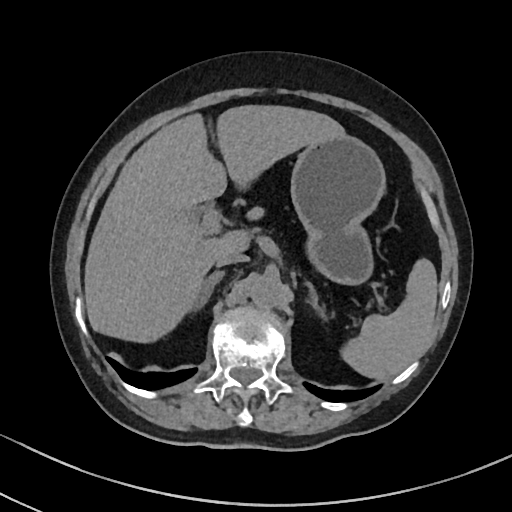
Computed tomography, abdomen · axial view · W/L 400/40 HU · 15 organs annotated in this scan (that count is for the whole scan; organs this slice misses have no box)
Each box given as x1,y1,x2,y2. 7 labeled organs on this slice — spleen at x1=342, y1=260, x2=438, y2=379; left adrenal gland at x1=303, y1=279, x2=325, y2=320; inferior vena cava at x1=215, y1=253, x2=244, y2=267; aorta at x1=251, y1=274, x2=284, y2=308; right adrenal gland at x1=187, y1=271, x2=223, y2=313; stomach at x1=290, y1=133, x2=386, y2=282; liver at x1=84, y1=104, x2=344, y2=340.